Chest-level CT slice, above the liver and spleen. axial plane, index 126. 512x512 px. 61-year-old female patient
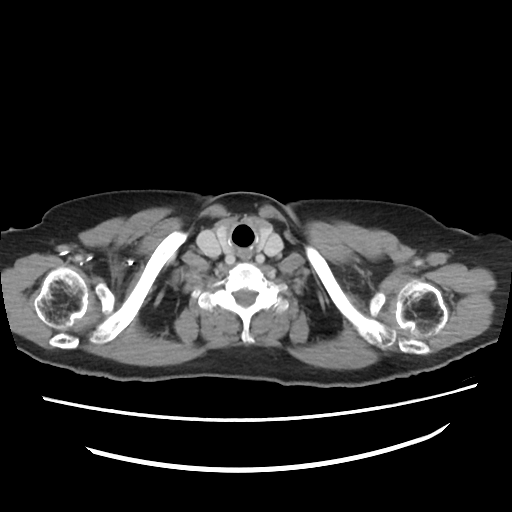
On a slice this high in the chest, this dataset labels only the esophagus and the aorta, and each is boxed only where it is labeled; the heart, lungs and other chest structures are not labeled.
Coordinates as <box>x1,y1,x2,y2</box> in pixels.
esophagus: <box>239,250,252,259</box>